CT abdomen · axial plane, index 87
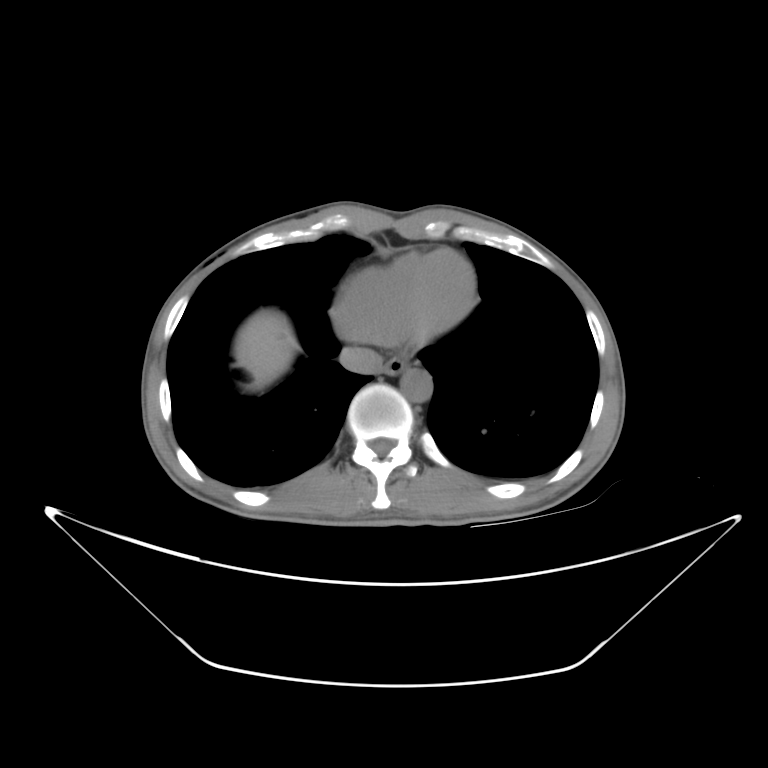 Coordinates as <box>x1,y1,x2,y2</box> in pixels.
Organ bounding boxes:
- aorta: <box>400,367,432,402</box>
- liver: <box>235,310,299,390</box>
- inferior vena cava: <box>340,346,380,374</box>
- esophagus: <box>378,356,409,375</box>